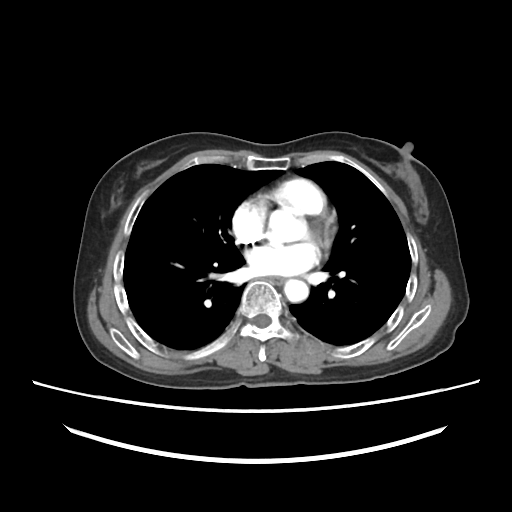

Abdominal CT; this slice is in the lower chest, just above the liver — axial view — 512x512 px — 62-year-old female patient
No part of the heart or lungs is labeled in this dataset, so neither has a box here.
Box edges are left/top/right/bottom in pixels.
Organ bounding boxes:
- aorta: left=284, top=279, right=308, bottom=302
- esophagus: left=267, top=276, right=286, bottom=285